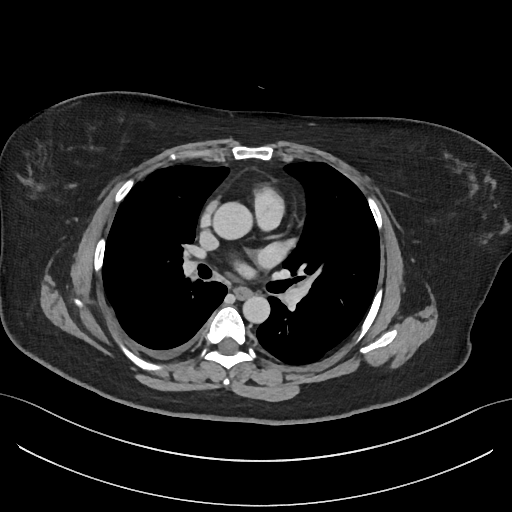
CT of the abdomen extending into the chest, slice through the chest — axial view — acquired on SOMATOM Force — scan has 15 labeled organs (that count is for the whole scan; organs this slice misses have no box)
At this level of the chest no structure but the esophagus and the aorta has a label in this dataset, and those two are boxed only where they are labeled.
<organs><organ name="esophagus" x1="233" y1="287" x2="251" y2="298"/><organ name="aorta" x1="214" y1="202" x2="254" y2="238"/><organ name="aorta" x1="242" y1="295" x2="269" y2="323"/></organs>